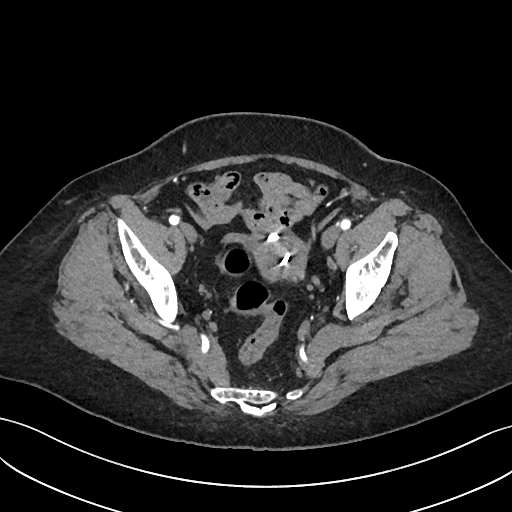
CT abdomen; Axial slice 40/276; W/L 400/40 HU; scan has 15 labeled organs (that count is for the whole scan; organs this slice misses have no box)
Each box given as x1,y1,x2,y2.
Organ bounding boxes:
- prostate/uterus: x1=252, y1=235, x2=308, y2=279